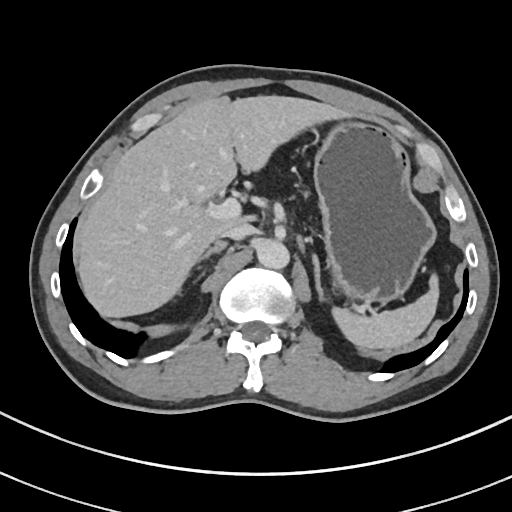
Abdominal CT — Axial slice 146/298 — abdomen soft-tissue window — 512x512 px
Each box given as x1,y1,x2,y2.
Organ bounding boxes:
- left adrenal gland: x1=313, y1=256, x2=323, y2=301
- inferior vena cava: x1=220, y1=223, x2=254, y2=240
- liver: x1=77, y1=95, x2=348, y2=317
- right adrenal gland: x1=201, y1=241, x2=228, y2=260
- stomach: x1=314, y1=118, x2=436, y2=303
- aorta: x1=257, y1=240, x2=291, y2=270
- spleen: x1=331, y1=275, x2=437, y2=349